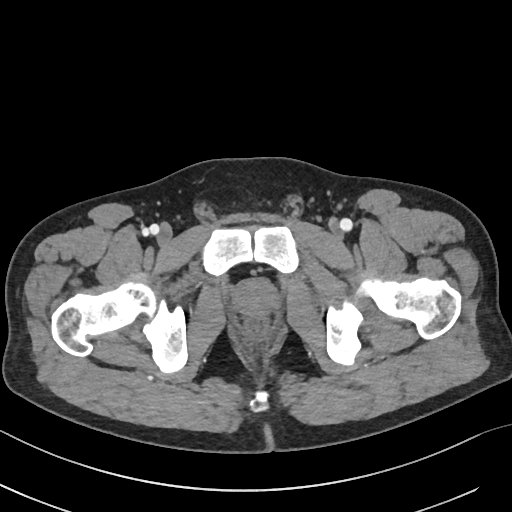

CT, abdomen/pelvis; axial view; abdomen soft-tissue window; scan has 15 labeled organs (that count is for the whole scan; organs this slice misses have no box)
Each box given as x1,y1,x2,y2. 1 labeled organ on this slice — prostate/uterus at x1=233, y1=279, x2=277, y2=317.